CT abdomen. axial view. soft-tissue window (W 400 / L 40). 55-year-old male patient
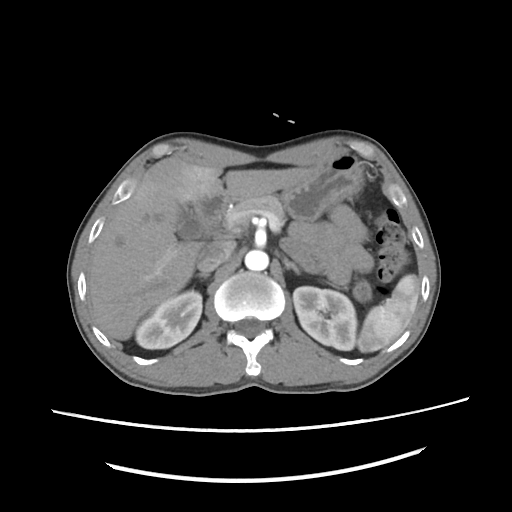 <organs><organ name="spleen" x1="356" y1="275" x2="419" y2="352"/><organ name="right kidney" x1="136" y1="290" x2="202" y2="348"/><organ name="left kidney" x1="293" y1="286" x2="357" y2="350"/><organ name="gall bladder" x1="176" y1="204" x2="211" y2="240"/><organ name="liver" x1="88" y1="140" x2="313" y2="339"/><organ name="stomach" x1="280" y1="148" x2="365" y2="221"/><organ name="aorta" x1="245" y1="250" x2="269" y2="270"/><organ name="inferior vena cava" x1="197" y1="240" x2="236" y2="272"/><organ name="pancreas" x1="232" y1="194" x2="284" y2="222"/><organ name="right adrenal gland" x1="199" y1="273" x2="210" y2="277"/><organ name="left adrenal gland" x1="285" y1="257" x2="300" y2="272"/><organ name="duodenum" x1="193" y1="195" x2="230" y2="231"/></organs>